Abdominal CT. axial view. W/L 400/40 HU. 512x512 px. 51-year-old male patient
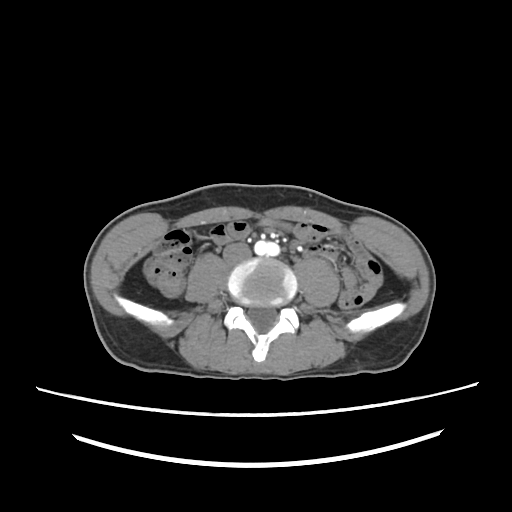

<organs><organ name="inferior vena cava" x1="223" y1="244" x2="250" y2="264"/></organs>